Abdominal CT. axial view. soft-tissue window. 512x512 px
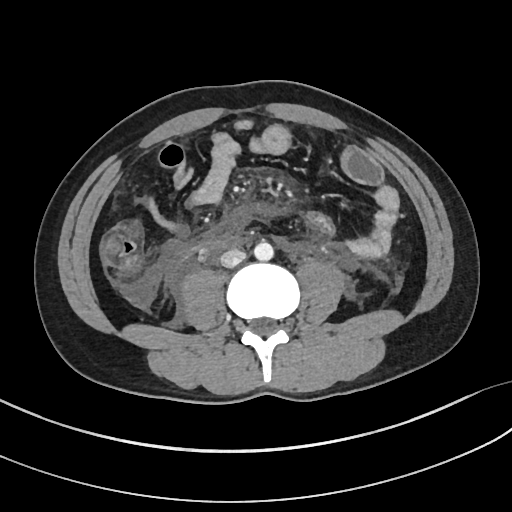

Coordinates as <box>x1,y1,x2,y2</box> in pixels. The annotated organs in this slice are: aorta at <box>254,241,274,261</box>, inferior vena cava at <box>220,249,246,267</box>.